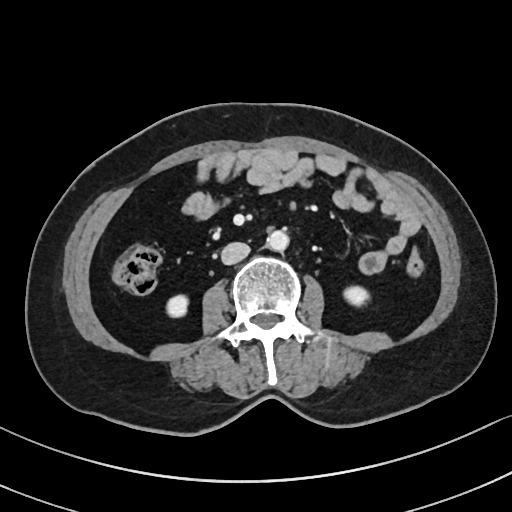

Abdominal CT; axial view; scan has 14 labeled organs (counted over the whole 3D scan, not this slice; an organ is boxed only where this slice passes through it)
Bounding boxes as [x1, y1, x2, y2] in pixel coordinates. The annotated organs in this slice are: right kidney at [166, 295, 188, 317], left kidney at [344, 286, 369, 306], aorta at [266, 230, 288, 251], inferior vena cava at [221, 242, 250, 264].